Abdominal CT · axial view · acquired on Brilliance16
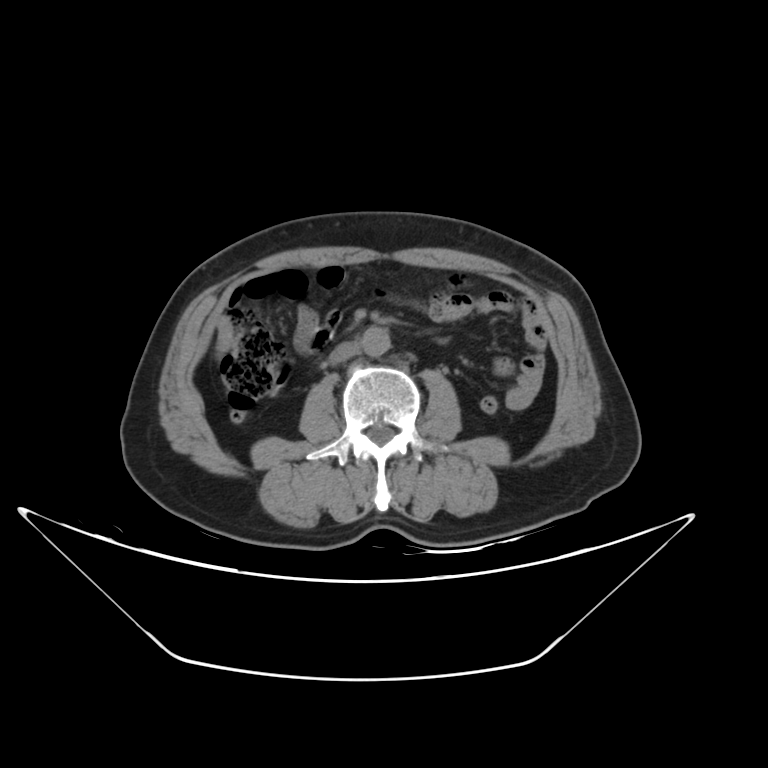

<organs><organ name="aorta" x1="362" y1="328" x2="390" y2="356"/><organ name="inferior vena cava" x1="329" y1="342" x2="361" y2="363"/></organs>